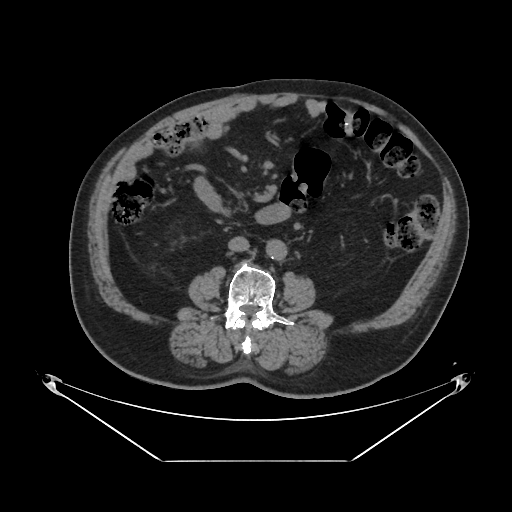
Computed tomography, abdomen — axial view — abdomen soft-tissue window
<organs><organ name="inferior vena cava" x1="228" y1="236" x2="249" y2="251"/><organ name="aorta" x1="266" y1="240" x2="287" y2="260"/></organs>